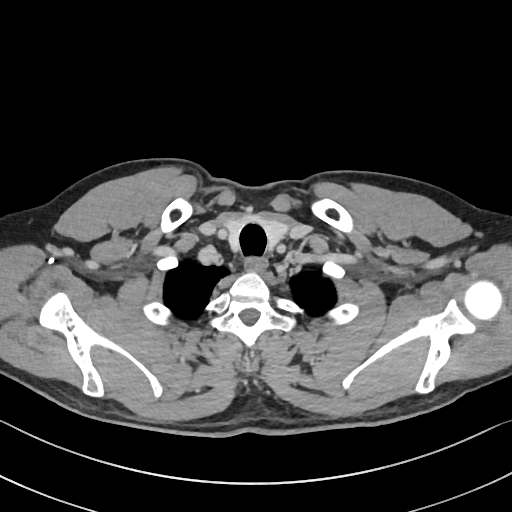
Chest-level CT slice, above the liver and spleen · axial plane, index 282 · W/L 400/40 HU · scan has 15 labeled organs (a whole-scan count: organs this slice does not pass through have no box)
At this level of the chest no structure but the esophagus and the aorta has a label in this dataset, and those two are boxed only where they are labeled.
Boxes are (x1, y1, x2, y2) in pixels.
esophagus: (246, 258, 267, 272)